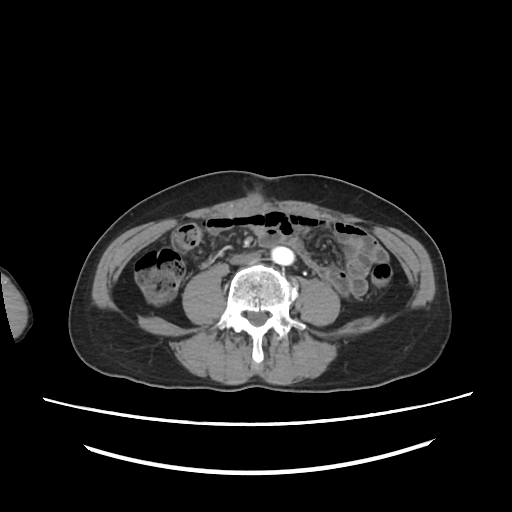

Computed tomography, abdomen; axial view; 512x512 px; 61-year-old male patient
Each box given as x1,y1,x2,y2.
Organ bounding boxes:
- aorta: x1=270, y1=248, x2=294, y2=265
- inferior vena cava: x1=228, y1=254, x2=261, y2=265